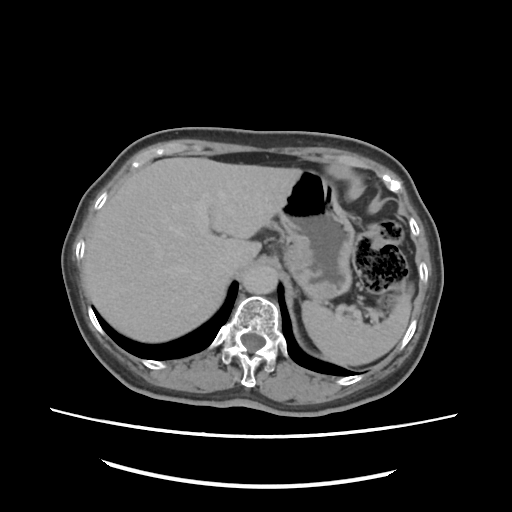
Computed tomography, abdomen · axial view · soft-tissue window · 512x512 px · 76-year-old female patient · Aquilion ONE scanner
<organs><organ name="spleen" x1="301" y1="294" x2="411" y2="364"/><organ name="liver" x1="84" y1="158" x2="300" y2="341"/><organ name="stomach" x1="278" y1="169" x2="355" y2="306"/><organ name="aorta" x1="243" y1="269" x2="275" y2="293"/><organ name="inferior vena cava" x1="230" y1="255" x2="253" y2="276"/></organs>